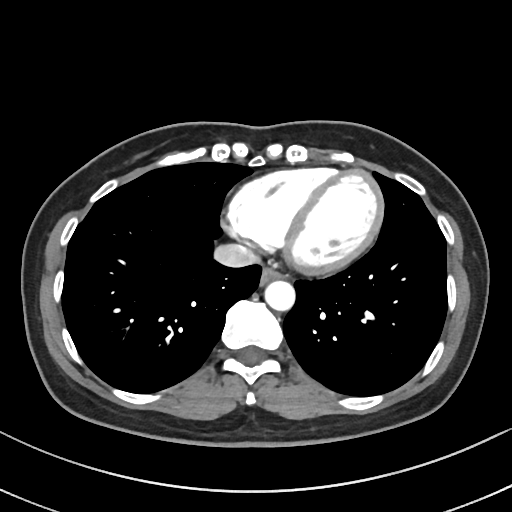 CT of the abdomen reaching into the lower chest, slice just above the liver and spleen · axial view · acquired on SOMATOM Force
No part of the heart or lungs is labeled in this dataset, so neither has a box here.
<organs><organ name="esophagus" x1="260" y1="266" x2="283" y2="283"/><organ name="aorta" x1="264" y1="279" x2="295" y2="310"/><organ name="inferior vena cava" x1="212" y1="243" x2="260" y2="268"/></organs>